Computed tomography, abdomen · Axial slice 130/298
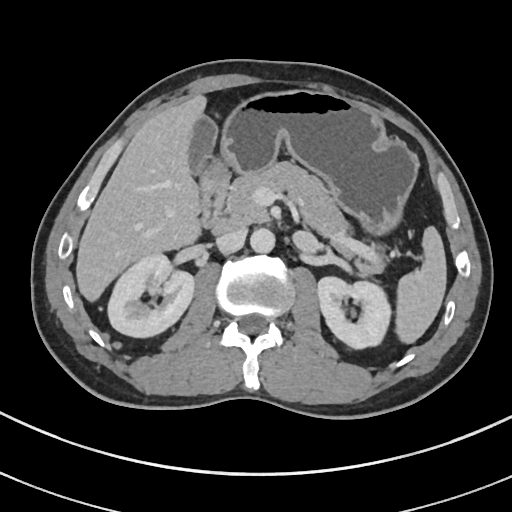

Boxes: x1 y1 x2 y2 (pixel coords, space-separated).
Organ bounding boxes:
- liver: 76 96 205 299
- inferior vena cava: 216 229 246 254
- left kidney: 318 277 392 349
- right kidney: 107 252 193 337
- gall bladder: 188 115 217 173
- spleen: 398 226 445 342
- stomach: 199 90 417 233
- duodenum: 198 188 229 234
- pancreas: 224 162 382 273
- aorta: 250 228 275 253